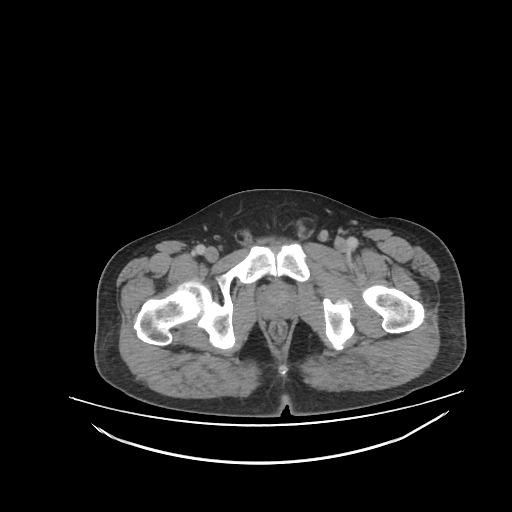
Abdominal CT. axial plane, index 15. soft-tissue window. scan has 15 labeled organs (that count is for the whole scan; organs this slice misses have no box)
Box edges are left/top/right/bottom in pixels.
prostate/uterus: left=260, top=285, right=296, bottom=319